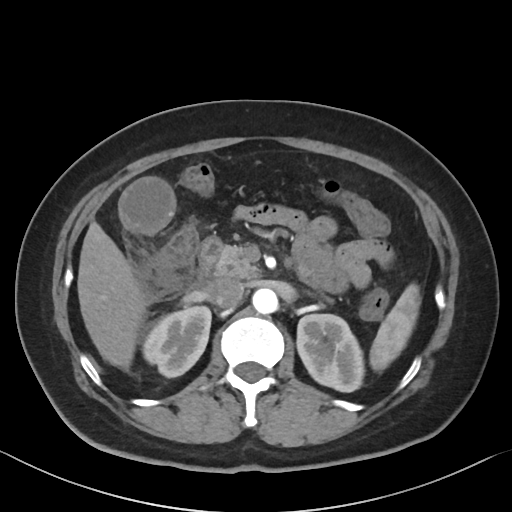
Computed tomography, abdomen · axial view · soft-tissue window · 512x512 px · scan has 15 labeled organs (that count is for the whole scan; organs this slice misses have no box)
{"organs":{"spleen":[369,283,420,371],"right kidney":[143,306,211,377],"left kidney":[296,314,363,392],"gall bladder":[117,177,177,233],"liver":[77,221,147,368],"aorta":[252,288,277,313],"inferior vena cava":[204,277,244,308],"pancreas":[214,244,259,277],"duodenum":[195,237,222,287]}}